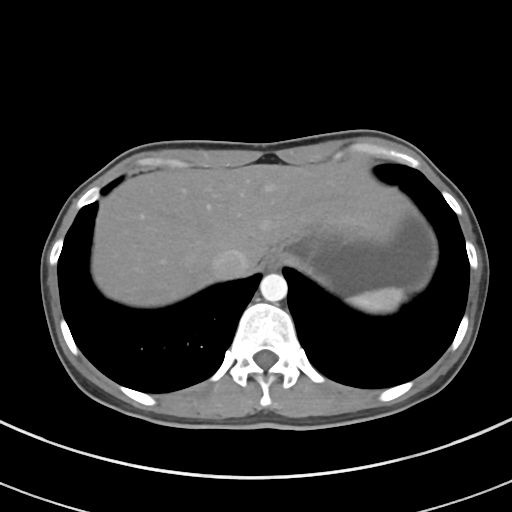
Computed tomography, abdomen. axial view
Coordinates as <box>x1,y1,x2,y2</box> in pixels.
Organ bounding boxes:
- inferior vena cava: <box>211,249,249,279</box>
- spleen: <box>348,287,405,312</box>
- esophagus: <box>265,252,283,269</box>
- aorta: <box>260,273,287,302</box>
- stomach: <box>276,205,436,295</box>
- liver: <box>92,160,408,307</box>